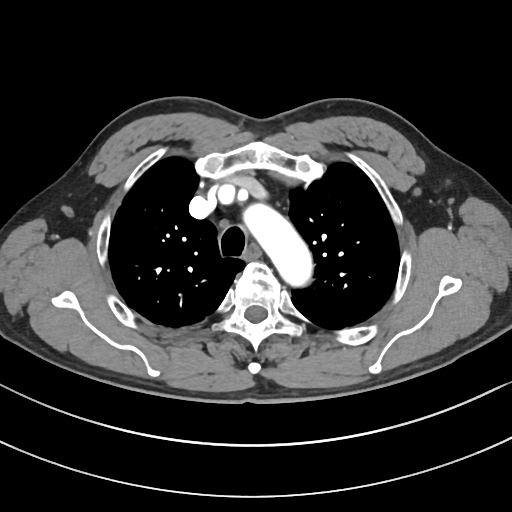
Chest-level CT slice, above the liver and spleen · axial view · soft-tissue window, W/L 400/40
At this level of the chest this dataset labels only the esophagus and the aorta, and each is boxed only where it is labeled; the heart and lungs are never labeled.
Boxes are (x1, y1, x2, y2) in pixels.
Organ bounding boxes:
- esophagus: (247, 245, 259, 256)
- aorta: (247, 206, 309, 282)